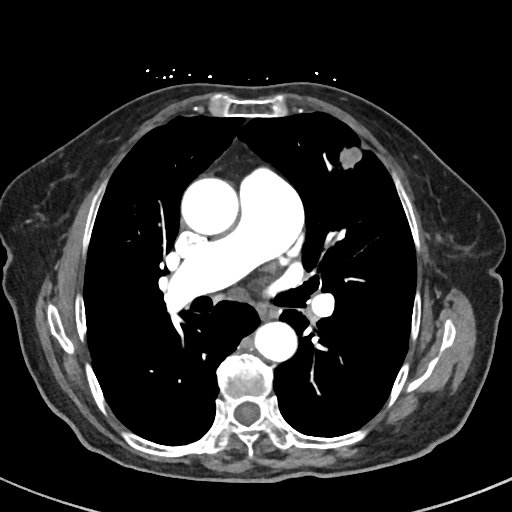
Chest-level CT slice, above the liver and spleen · axial view · W/L 400/40 HU · 512x512 px · SOMATOM Force scanner
At this level of the chest this dataset labels only the esophagus and the aorta, and each is boxed only where it is labeled; the heart and lungs are never labeled.
Bounding boxes as [x1, y1, x2, y2] in pixel coordinates.
Organ bounding boxes:
- esophagus: [256, 303, 278, 319]
- aorta: [181, 177, 238, 235]
- aorta: [254, 321, 297, 362]